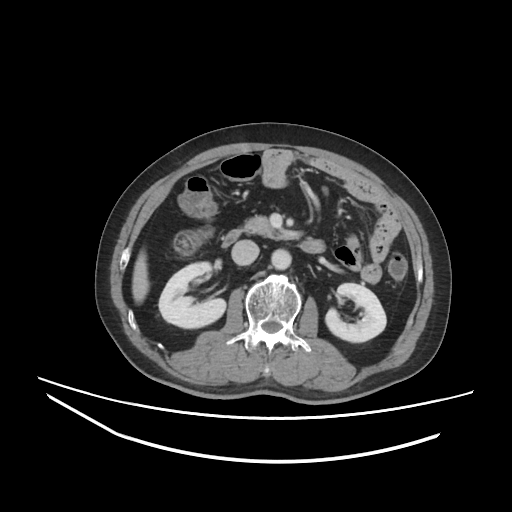 CT abdomen. axial plane, index 58. 54-year-old male patient. Aquilion ONE scanner
{"organs":{"right kidney":[158,262,225,328],"left kidney":[325,283,386,342],"liver":[132,250,149,303],"aorta":[271,249,291,269],"inferior vena cava":[231,240,259,265],"pancreas":[243,216,284,239],"duodenum":[222,229,324,252]}}